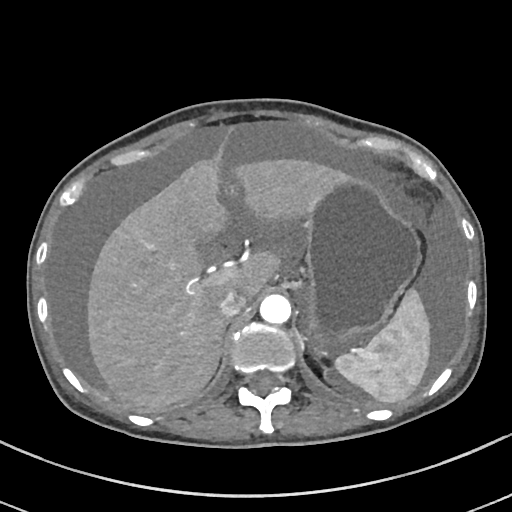
Abdominal CT; Axial slice 178/237
{"organs":{"spleen":[334,289,430,403],"liver":[87,159,349,408],"stomach":[306,180,419,341],"aorta":[260,294,291,324],"inferior vena cava":[218,289,247,317]}}